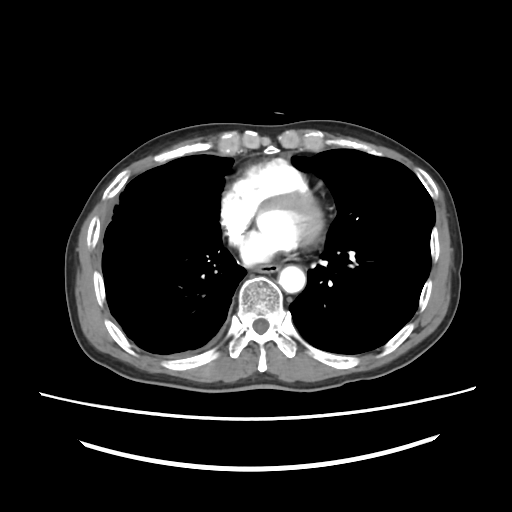
Abdominal CT; this slice is in the lower chest, just above the liver — axial plane, index 90 — soft-tissue window — 65-year-old male patient — 15 organs annotated in this scan (counted over the whole 3D scan, not this slice; an organ is boxed only where this slice passes through it)
Of the structures in the chest, this dataset labels only the esophagus, the aorta and the inferior vena cava; the heart and lungs have no label.
One row per box, in pixels: columns x1 and y1 give the top-left corner, x2 and y2 the bottom-right.
| organ | x1 | y1 | x2 | y2 |
|---|---|---|---|---|
| esophagus | 255 | 263 | 280 | 272 |
| aorta | 278 | 265 | 305 | 293 |